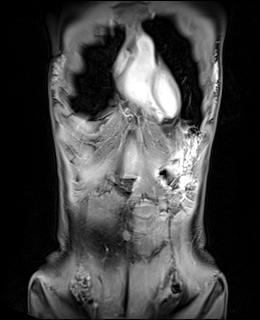
Abdominal MR; coronal plane, index 101; percentile-normalized; 13 organs annotated in this scan (a whole-scan count: organs this slice does not pass through have no box)
One row per box, in pixels: columns x1 and y1 give the top-left corner, x2 and y2 the bottom-right.
| organ | x1 | y1 | x2 | y2 |
|---|---|---|---|---|
| liver | 75 | 118 | 185 | 181 |
| stomach | 136 | 134 | 200 | 189 |
| duodenum | 115 | 174 | 139 | 186 |